CT of the abdomen extending into the chest, slice through the chest — axial view — SOMATOM Force scanner
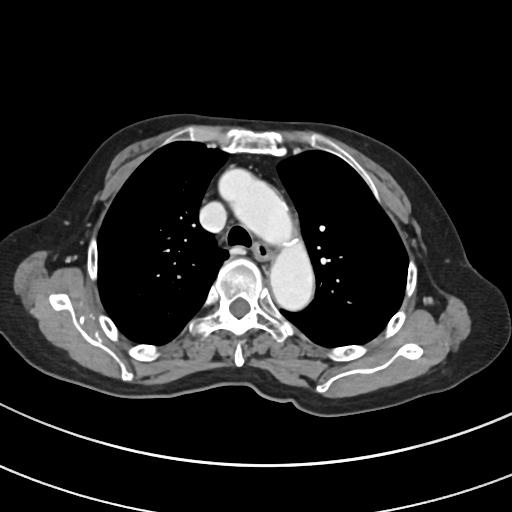
At this level of the chest no structure but the esophagus and the aorta has a label in this dataset, and those two are boxed only where they are labeled.
Boxes: x1 y1 x2 y2 (pixel coords, space-separated).
esophagus: 253 243 276 262
aorta: 219 168 291 242
aorta: 270 244 314 312